Computed tomography, abdomen; Axial slice 36/80; W/L 400/40 HU; 768x768 px; acquired on Brilliance16; 15 organs annotated in this scan (a whole-scan count: organs this slice does not pass through have no box)
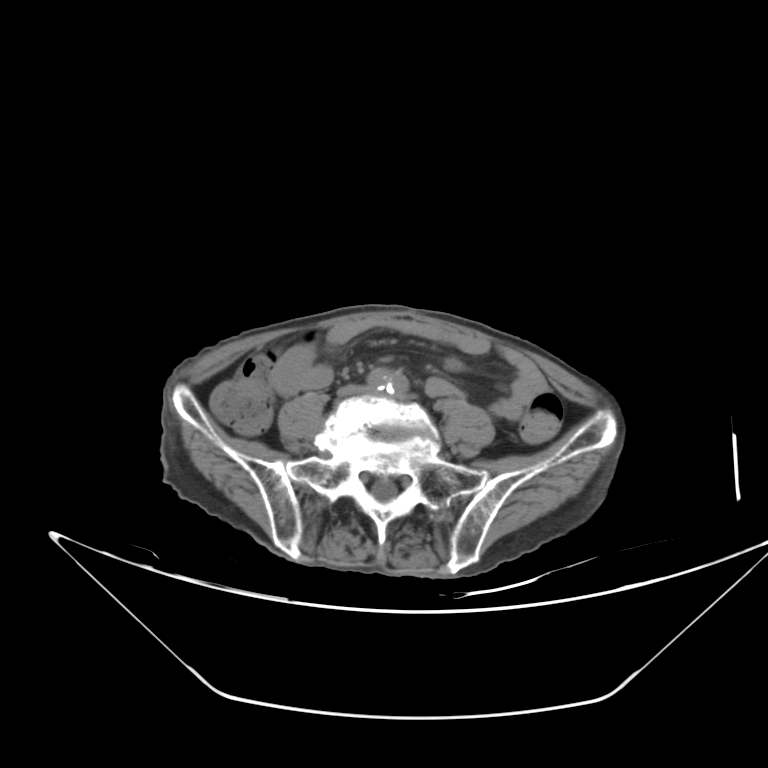 Bounding boxes in pixels, one row per box: x1, y1 is the top-left corner and x2, y2 the bottom-right.
| organ | x1 | y1 | x2 | y2 |
|---|---|---|---|---|
| inferior vena cava | 334 | 388 | 370 | 396 |